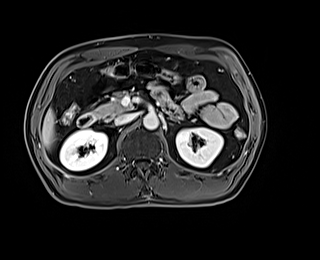
Abdominal MR · axial view
<organs><organ name="left adrenal gland" x1="166" y1="117" x2="177" y2="123"/><organ name="left kidney" x1="176" y1="127" x2="223" y2="167"/><organ name="right kidney" x1="60" y1="129" x2="107" y2="170"/><organ name="liver" x1="41" y1="108" x2="55" y2="149"/><organ name="aorta" x1="143" y1="114" x2="158" y2="130"/><organ name="duodenum" x1="77" y1="113" x2="96" y2="126"/><organ name="inferior vena cava" x1="114" y1="113" x2="136" y2="125"/><organ name="pancreas" x1="93" y1="93" x2="130" y2="118"/></organs>